Abdominal CT; axial plane, index 73; soft-tissue window (W 400 / L 40); acquired on Aquilion ONE
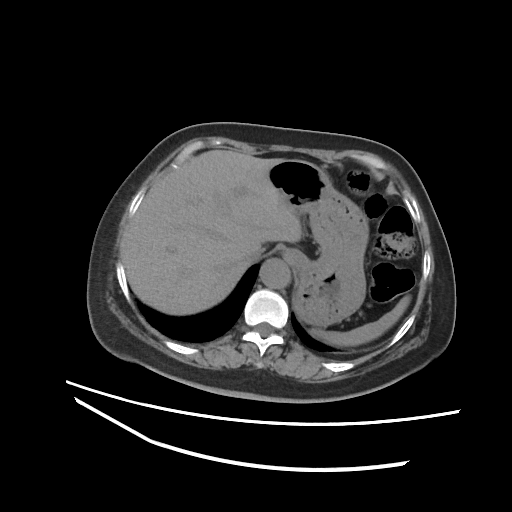 Boxes: x1 y1 x2 y2 (pixel coords, space-separated).
Organ bounding boxes:
- inferior vena cava: 243 249 263 264
- aorta: 260 258 289 288
- liver: 121 150 302 315
- stomach: 269 159 368 326
- spleen: 311 295 410 346